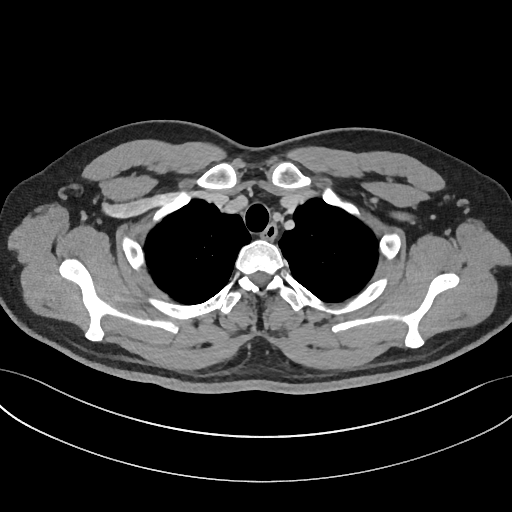 Chest-level CT slice, above the liver and spleen — axial view — acquired on SOMATOM Force
On a slice this high in the chest, this dataset labels only the esophagus and the aorta, and each is boxed only where it is labeled; the heart, lungs and other chest structures are not labeled.
Bounding boxes as [x1, y1, x2, y2] in pixel coordinates.
Organ bounding boxes:
- esophagus: [264, 224, 276, 238]